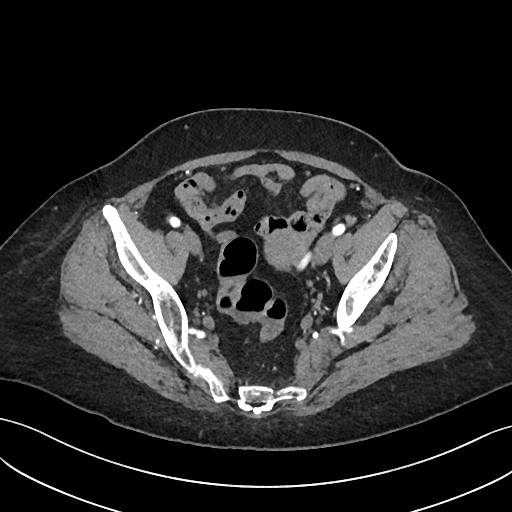

CT, abdomen/pelvis · axial view
{"organs":{"prostate/uterus":[263,231,305,270]}}